CT abdomen. axial view. 15 organs annotated in this scan (a whole-scan count: organs this slice does not pass through have no box)
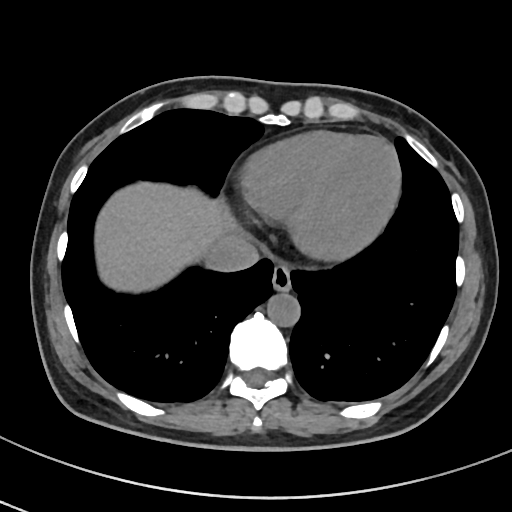

{"organs":{"esophagus":[271,263,291,291],"liver":[95,182,233,292],"aorta":[267,293,300,326],"inferior vena cava":[208,233,259,271]}}